Abdominal CT · axial view · abdomen soft-tissue window
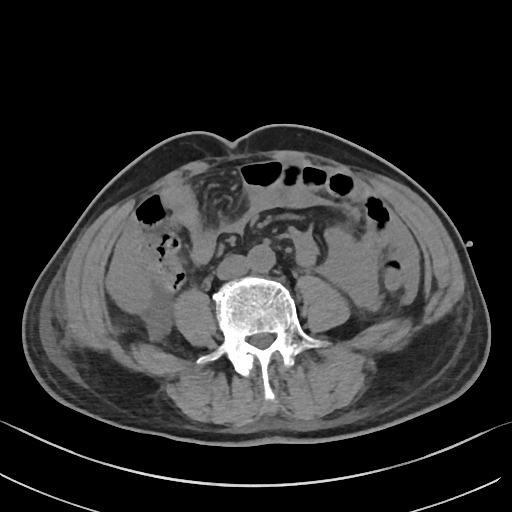 Box edges are left/top/right/bottom in pixels.
aorta: left=246, top=244, right=275, bottom=272
inferior vena cava: left=216, top=254, right=248, bottom=279